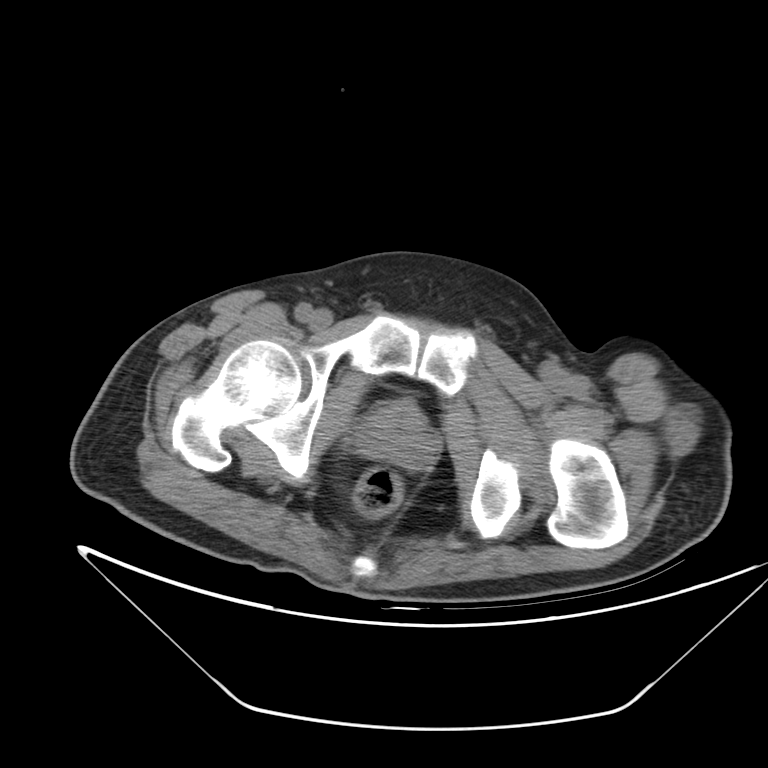
Computed tomography, abdomen; axial view; 768x768 px
Box edges are left/top/right/bottom in pixels.
prostate/uterus: left=355, top=403, right=432, bottom=468